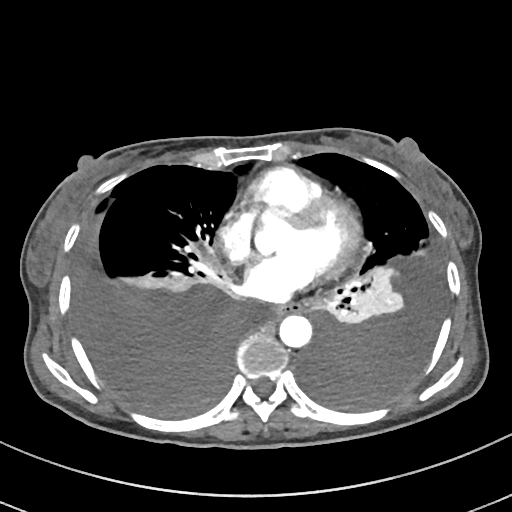
CT of the abdomen reaching into the lower chest, slice just above the liver and spleen — axial view — soft-tissue window (W 400 / L 40)
No part of the heart or lungs is labeled in this dataset, so neither has a box here.
Boxes: x1:y1:x2:y2 in pixels.
Organ bounding boxes:
- esophagus: 272:303:301:316
- aorta: 279:315:311:347